Chest-level slice from an abdominal CT that extends up into the chest — Axial slice 60/72 — 34-year-old female patient — scan has 13 labeled organs (counted over the whole 3D scan, not this slice; an organ is boxed only where this slice passes through it)
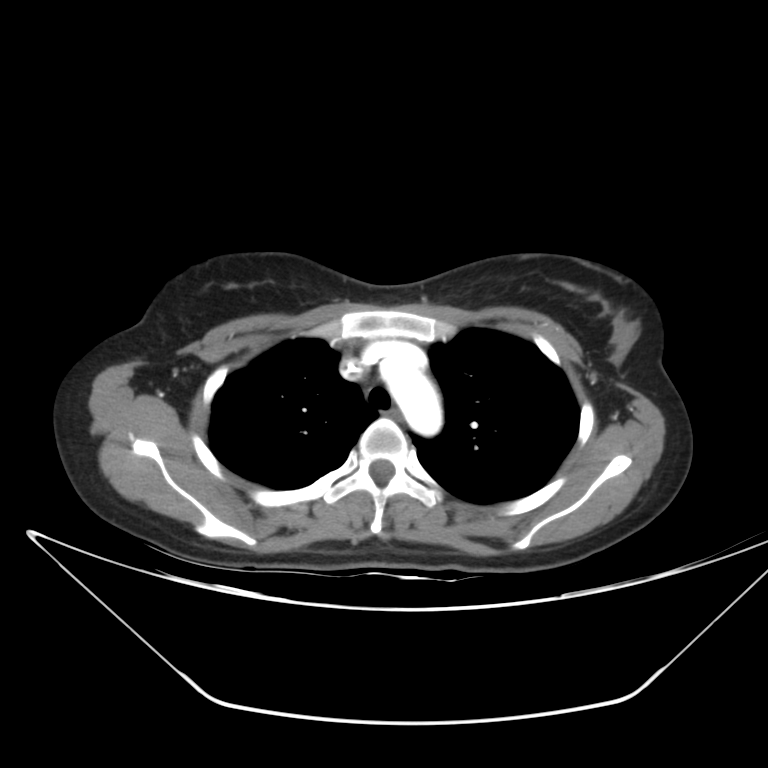 At this level of the chest this dataset labels only the esophagus and the aorta, and each is boxed only where it is labeled; the heart and lungs are never labeled.
Boxes: x1 y1 x2 y2 (pixel coords, space-separated).
Organ bounding boxes:
- aorta: 380 356 442 436
- esophagus: 386 411 404 420